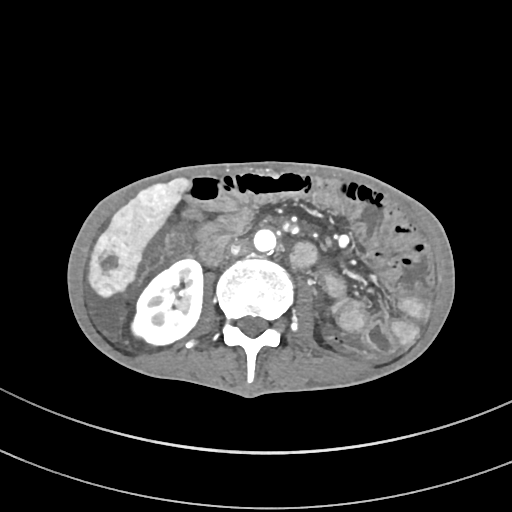

Abdominal CT. Axial slice 115/218. soft-tissue window. acquired on SOMATOM Force
Each box given as x1,y1,x2,y2.
Organ bounding boxes:
- right kidney: x1=132, y1=259, x2=202, y2=345
- liver: x1=88, y1=179, x2=188, y2=297
- aorta: x1=253, y1=229, x2=276, y2=252
- inferior vena cava: x1=230, y1=239, x2=249, y2=254